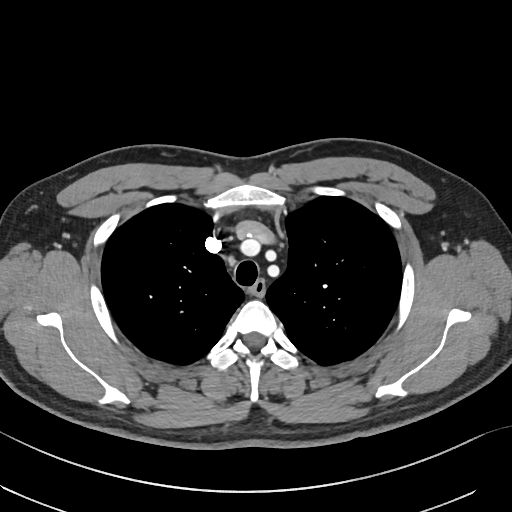
CT of the abdomen extending into the chest, slice through the chest — axial view — soft-tissue window, W/L 400/40 — 15 organs annotated in this scan (that count is for the whole scan; organs this slice misses have no box)
At this level of the chest no structure but the esophagus and the aorta has a label in this dataset, and those two are boxed only where they are labeled.
{"organs":{"esophagus":[249,279,266,295]}}